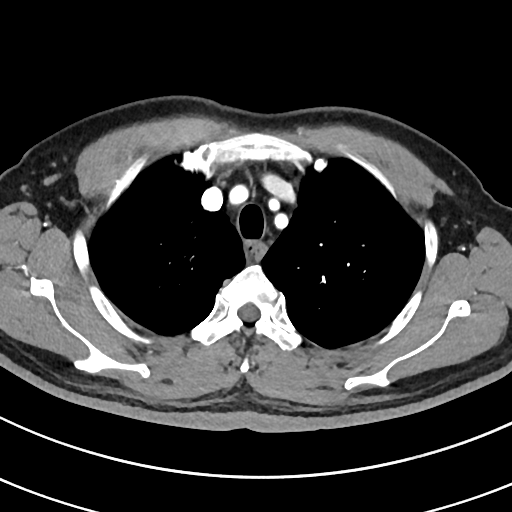
Chest-level slice from an abdominal CT that extends up into the chest. axial view. soft-tissue window, W/L 400/40
On a slice this high in the chest, this dataset labels only the esophagus and the aorta, and each is boxed only where it is labeled; the heart, lungs and other chest structures are not labeled.
Boxes: x1:y1:x2:y2 in pixels.
esophagus: 246:242:264:257